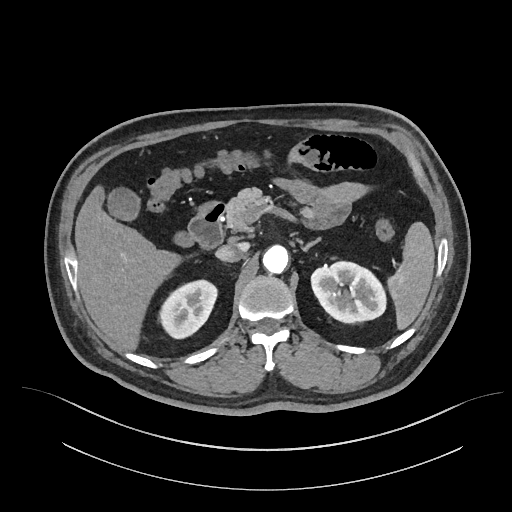 CT, abdomen/pelvis — axial plane, index 178 — soft-tissue window
Boxes are (x1, y1, x2, y2) in pixels.
spleen: (385, 222, 434, 330)
right kidney: (161, 281, 216, 337)
left kidney: (310, 261, 385, 322)
gall bladder: (107, 186, 193, 247)
liver: (74, 184, 180, 351)
aorta: (262, 246, 288, 273)
inferior vena cava: (215, 242, 248, 261)
pancreas: (226, 187, 315, 231)
right adrenal gland: (222, 262, 230, 266)
left adrenal gland: (301, 238, 320, 251)
duodenum: (187, 199, 227, 247)